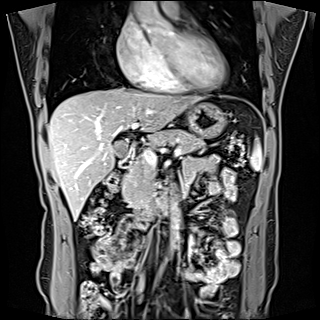 Abdominal MRI · coronal acquisition · 1st–99th percentile window · acquired on Prisma · scan has 13 labeled organs (counted over the whole 3D scan, not this slice; an organ is boxed only where this slice passes through it)
Each box given as x1,y1,x2,y2. The annotated organs in this slice are: spleen at x1=251, y1=143, x2=261, y2=170, gall bladder at x1=114, y1=141, x2=128, y2=157, liver at x1=48, y1=87, x2=200, y2=220, stomach at x1=186, y1=102, x2=226, y2=138, aorta at x1=171, y1=202, x2=179, y2=246, pancreas at x1=122, y1=129, x2=204, y2=206, duodenum at x1=119, y1=146, x2=168, y2=214.